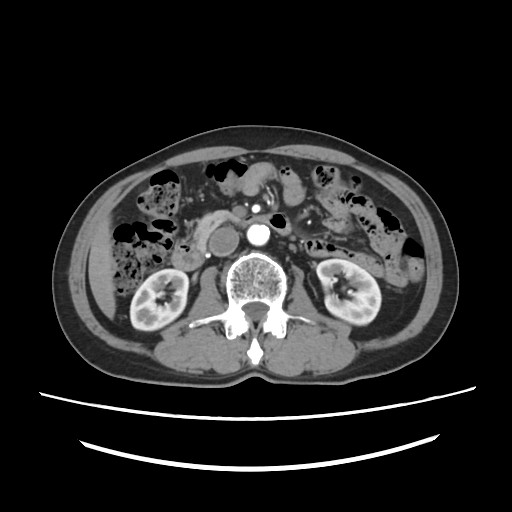 Computed tomography, abdomen — axial view — acquired on Aquilion ONE
Bounding boxes as [x1, y1, x2, y2] in pixel coordinates. The annotated organs in this slice are: inferior vena cava at [209, 227, 239, 256], pancreas at [194, 210, 240, 253], liver at [88, 220, 115, 319], duodenum at [171, 213, 291, 270], left kidney at [316, 259, 381, 324], right kidney at [130, 269, 188, 330], aorta at [247, 224, 269, 245].